CT, abdomen/pelvis. axial view. soft-tissue window. 512x512 px. scan has 15 labeled organs (a whole-scan count: organs this slice does not pass through have no box)
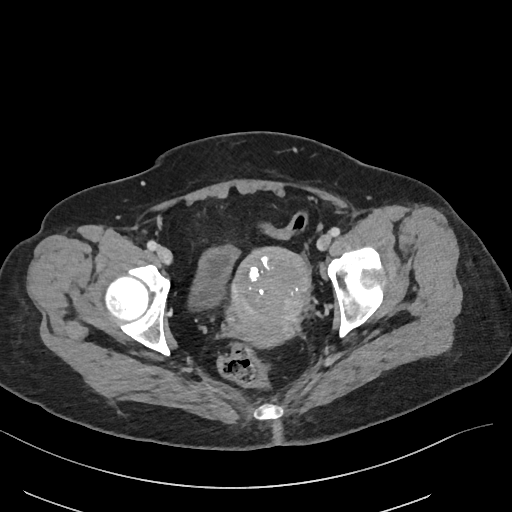 One row per box, in pixels: columns x1 and y1 give the top-left corner, x2 and y2 the bottom-right.
| organ | x1 | y1 | x2 | y2 |
|---|---|---|---|---|
| bladder | 188 | 245 | 238 | 309 |
| prostate/uterus | 230 | 247 | 309 | 347 |